CT, abdomen/pelvis — axial plane, index 85 — soft-tissue window — 512x512 px — SOMATOM Force scanner — 15 organs annotated in this scan (a whole-scan count: organs this slice does not pass through have no box)
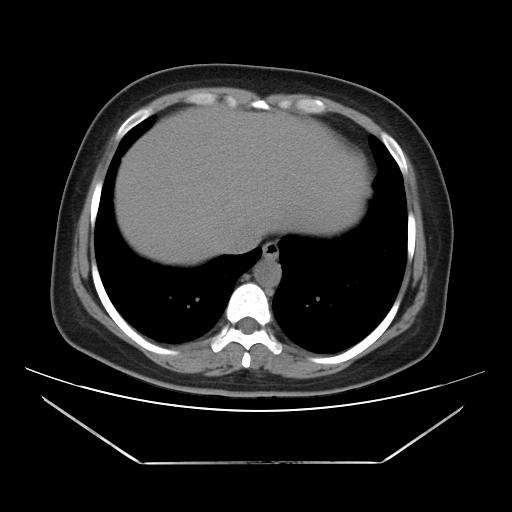
Boxes: x1:y1:x2:y2 in pixels. Labeled organs on this slice: aorta at 253:259:281:286, inferior vena cava at 223:228:261:253, liver at 114:105:370:265, esophagus at 263:241:279:259.